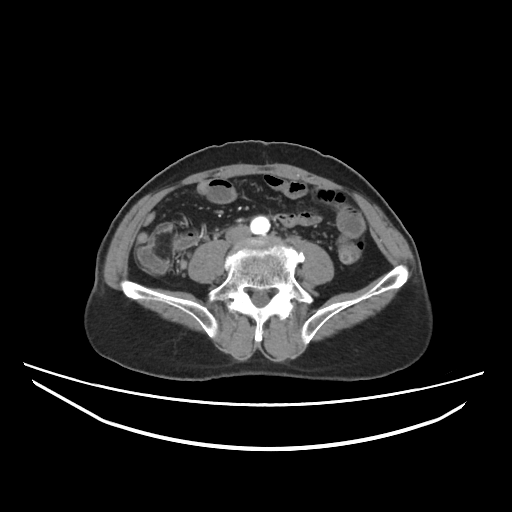
CT abdomen · axial plane, index 40 · soft-tissue window (W 400 / L 40) · 512x512 px · 58-year-old male patient
{"organs":{"aorta":[250,216,270,234],"inferior vena cava":[227,226,249,240]}}